Computed tomography, abdomen — Axial slice 12/234 — 512x512 px — SOMATOM Force scanner
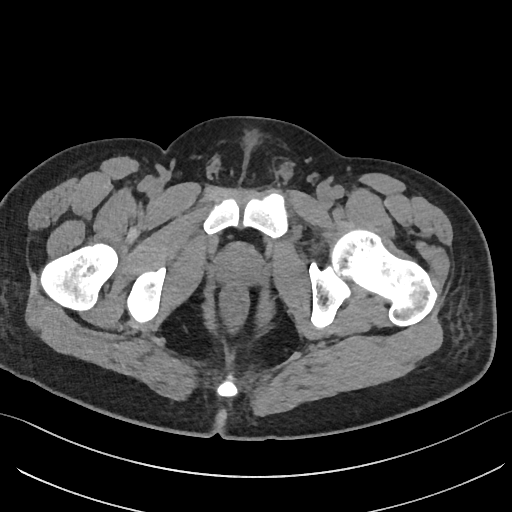 Box edges are left/top/right/bottom in pixels. Labeled organs on this slice: prostate/uterus at left=216, top=246, right=260, bottom=283.